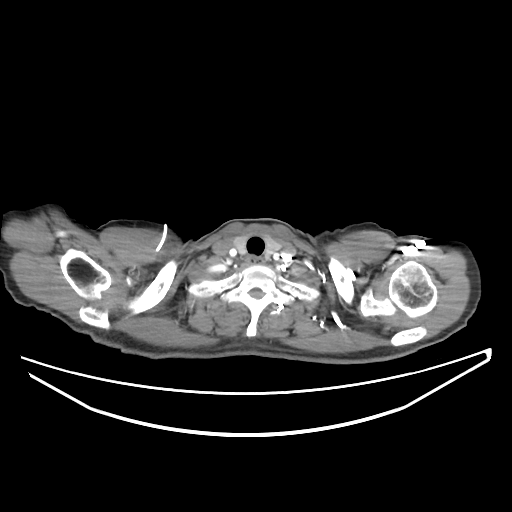 Chest-level CT slice, above the liver and spleen — axial view — 62-year-old male patient — Aquilion ONE scanner
At this level of the chest no structure but the esophagus and the aorta has a label in this dataset, and those two are boxed only where they are labeled.
Each box given as x1,y1,x2,y2.
Organ bounding boxes:
- esophagus: x1=244, y1=257, x2=265, y2=264